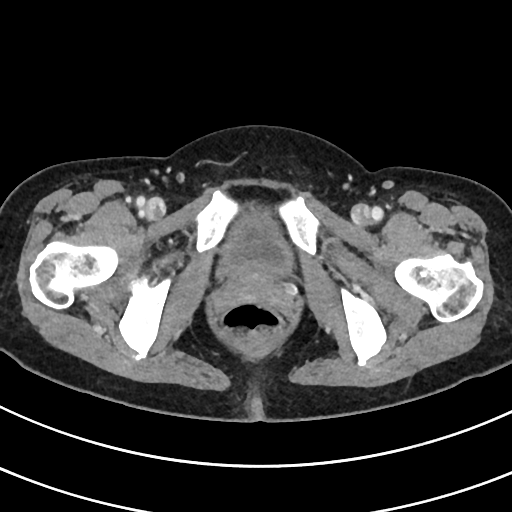 CT abdomen · Axial slice 9/192
{"organs":{"bladder":[221,211,292,279]}}